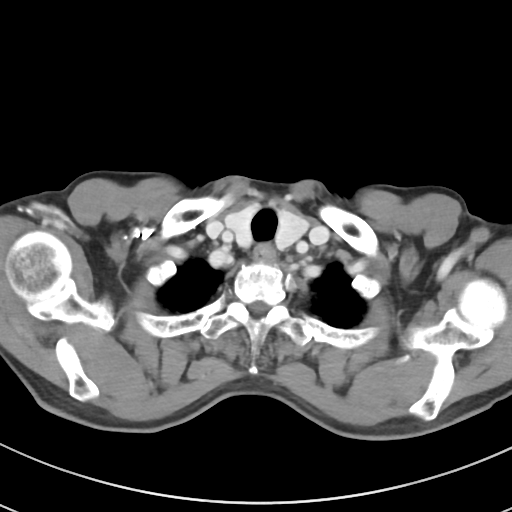 Abdominal CT reaching into the chest; this slice is in the chest · axial view · 512x512 px
At this level of the chest this dataset labels only the esophagus and the aorta, and each is boxed only where it is labeled; the heart and lungs are never labeled.
Bounding boxes in pixels, one row per box: x1, y1 is the top-left corner and x2, y2 the bottom-right.
| organ | x1 | y1 | x2 | y2 |
|---|---|---|---|---|
| esophagus | 253 | 243 | 275 | 264 |